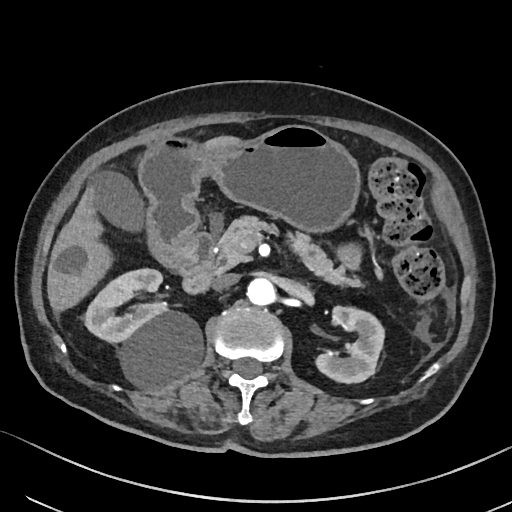 CT abdomen. axial view
Boxes: x1 y1 x2 y2 (pixel coords, space-separated).
Organ bounding boxes:
- stomach: 139 125 361 268
- inferior vena cava: 211 273 238 288
- gall bladder: 91 171 146 234
- pancreas: 214 215 364 287
- left kidney: 314 306 384 383
- right kidney: 85 269 203 387
- liver: 47 134 249 314
- duodenum: 173 230 215 292
- aorta: 247 278 273 305